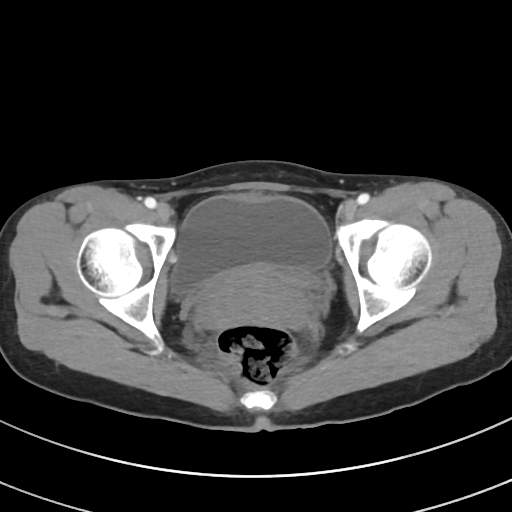

CT, abdomen/pelvis · axial view
Bounding boxes as [x1, y1, x2, y2] in pixel coordinates. The annotated organs in this slice are: bladder at [171, 195, 331, 293], prostate/uterus at [197, 264, 306, 327].